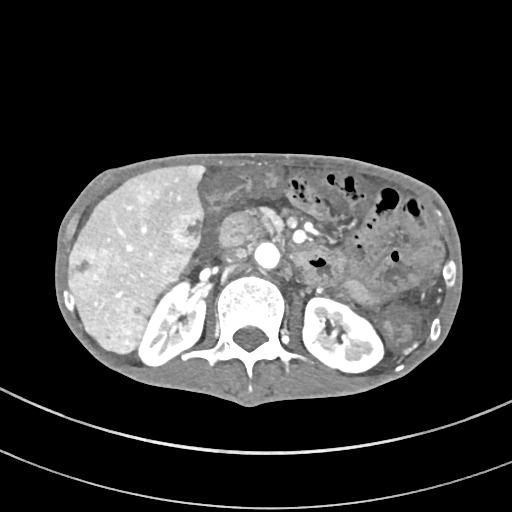

Computed tomography, abdomen · axial view · W/L 400/40 HU
One row per box, in pixels: columns x1 and y1 give the top-left corner, x2 and y2 the bottom-right.
| organ | x1 | y1 | x2 | y2 |
|---|---|---|---|---|
| right kidney | 138 | 281 | 205 | 365 |
| aorta | 254 | 242 | 280 | 268 |
| pancreas | 261 | 209 | 281 | 235 |
| duodenum | 220 | 212 | 341 | 287 |
| inferior vena cava | 223 | 247 | 248 | 263 |
| left kidney | 302 | 297 | 383 | 372 |
| liver | 68 | 165 | 204 | 353 |